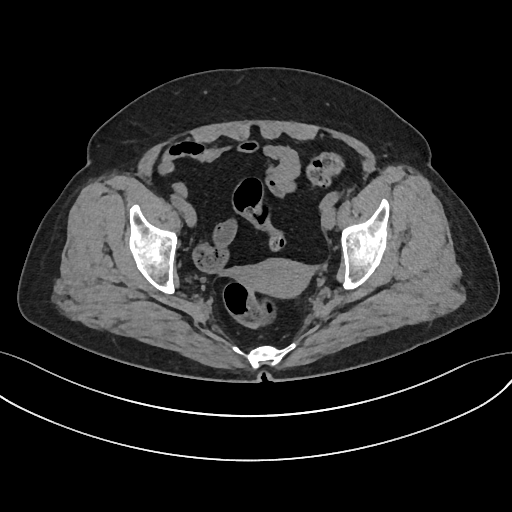 CT, abdomen/pelvis — Axial slice 38/207 — soft-tissue window (W 400 / L 40) — 512x512 px
<organs><organ name="prostate/uterus" x1="242" y1="258" x2="311" y2="298"/></organs>